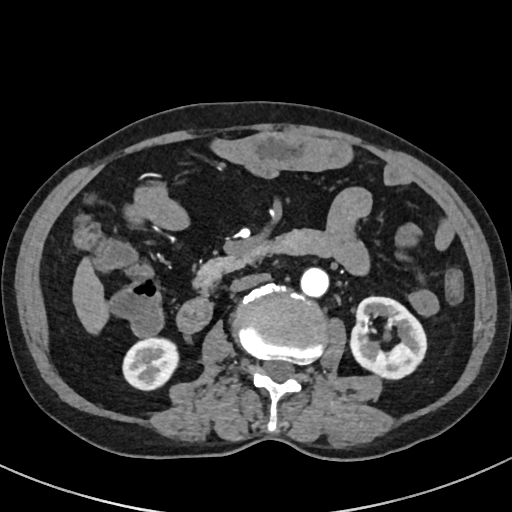

Abdominal CT. axial view. abdomen soft-tissue window. 512x512 px. SOMATOM Force scanner
Box edges are left/top/right/bottom in pixels. The annotated organs in this slice are: duodenum at left=176, top=230, right=327, bottom=333, right kidney at left=123, top=338, right=178, bottom=390, liver at left=72, top=257, right=108, bottom=334, aorta at left=300, top=267, right=328, bottom=297, pancreas at left=194, top=254, right=240, bottom=289, left kidney at left=350, top=296, right=426, bottom=378, inferior vena cava at left=230, top=273, right=269, bottom=291.